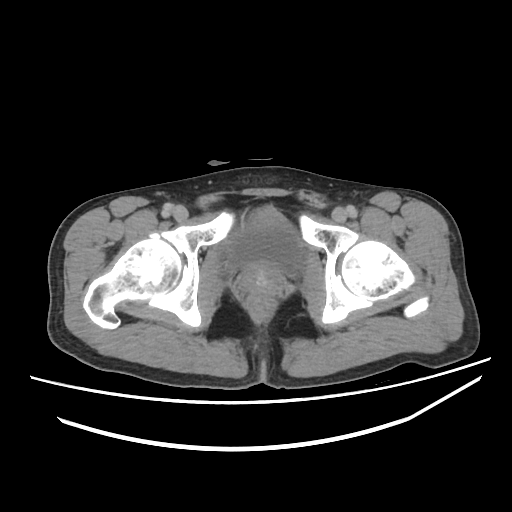
CT, abdomen/pelvis — axial view — soft-tissue window
Coordinates as <box>x1,y1,x2,y2</box> in pixels. 2 labeled organs on this slice — bladder at <box>222,206,304,277</box>; prostate/uterus at <box>239,262,279,298</box>.